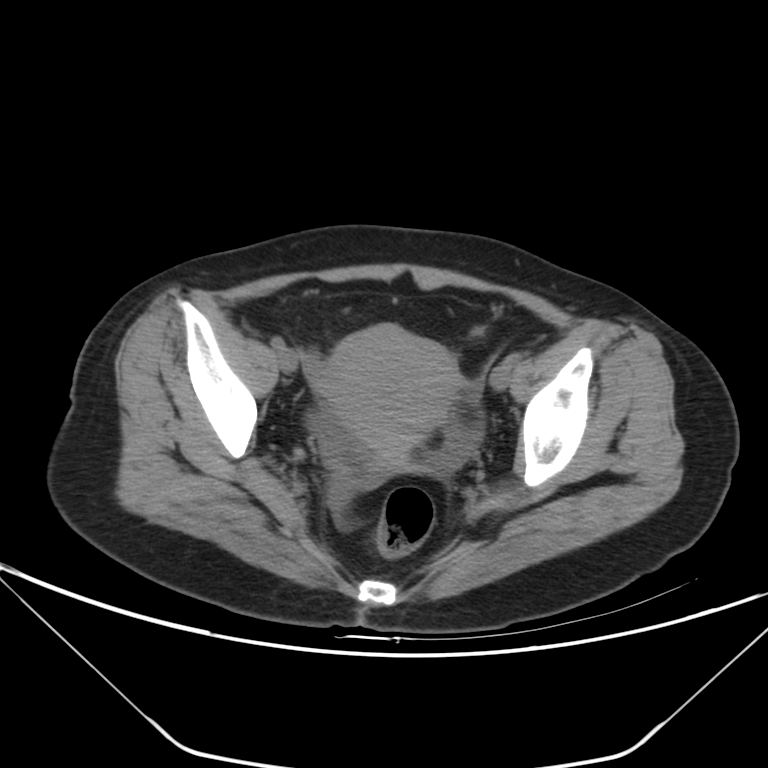

CT abdomen · axial view
One row per box, in pixels: columns x1 and y1 give the top-left corner, x2 and y2 the bottom-right.
| organ | x1 | y1 | x2 | y2 |
|---|---|---|---|---|
| prostate/uterus | 313 | 324 | 462 | 466 |